Abdominal CT reaching into the chest; this slice is in the chest · axial view · 512x512 px
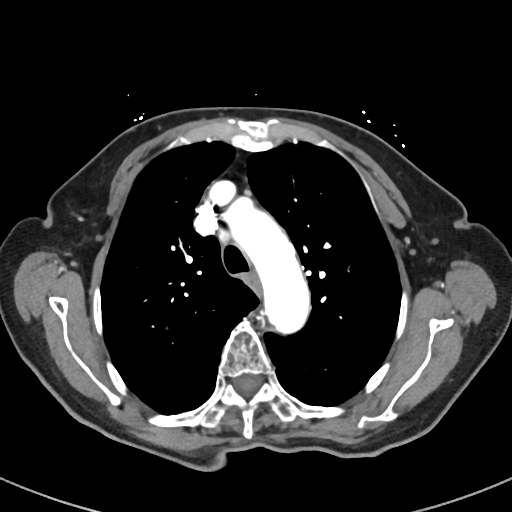 At this level of the chest no structure but the esophagus and the aorta has a label in this dataset, and those two are boxed only where they are labeled.
<organs><organ name="esophagus" x1="247" y1="273" x2="260" y2="291"/><organ name="aorta" x1="220" y1="196" x2="310" y2="334"/></organs>